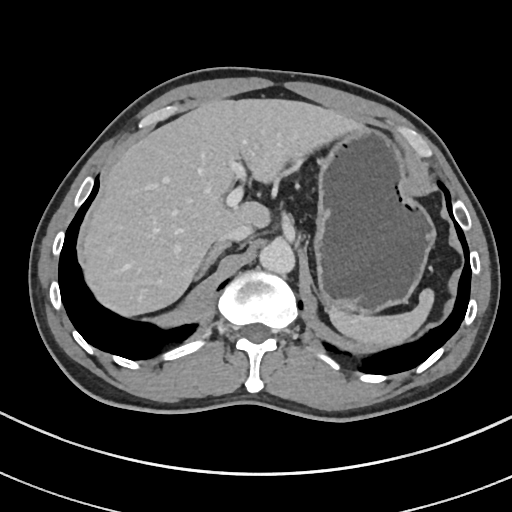
Abdominal CT · axial plane, index 149 · soft-tissue window · 512x512 px · SOMATOM Force scanner
Boxes: x1 y1 x2 y2 (pixel coords, space-separated).
Organ bounding boxes:
- spleen: 329 289 434 346
- aorta: 259 241 295 274
- right adrenal gland: 194 242 230 281
- stomach: 314 127 436 315
- liver: 81 98 354 316
- inferior vena cava: 219 224 252 241